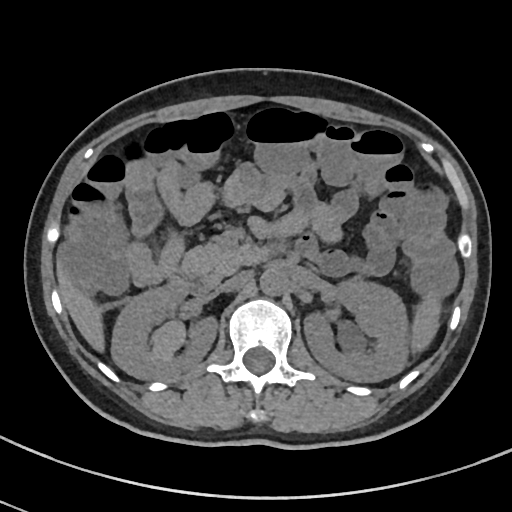 CT, abdomen/pelvis. axial view. 15 organs annotated in this scan (that count is for the whole scan; organs this slice misses have no box)
One row per box, in pixels: columns x1 and y1 give the top-left corner, x2 and y2 the bottom-right.
| organ | x1 | y1 | x2 | y2 |
|---|---|---|---|---|
| liver | 58 | 270 | 104 | 351 |
| inferior vena cava | 216 | 273 | 246 | 292 |
| aorta | 260 | 267 | 287 | 295 |
| pancreas | 181 | 242 | 249 | 286 |
| right kidney | 111 | 283 | 217 | 379 |
| spleen | 410 | 293 | 441 | 352 |
| left kidney | 304 | 278 | 408 | 382 |
| duodenum | 172 | 244 | 274 | 292 |